Computed tomography, abdomen; axial plane, index 84; abdomen soft-tissue window; 512x512 px
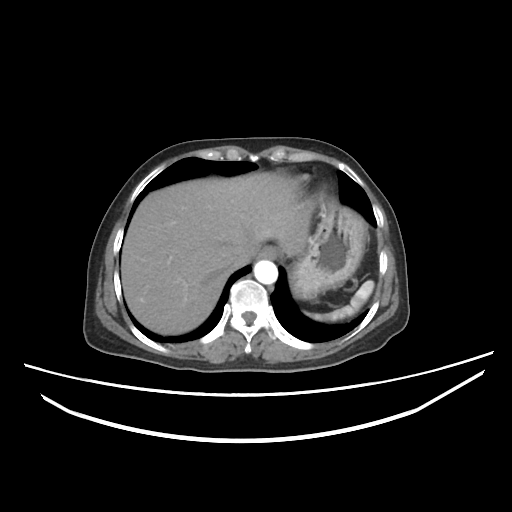

{"organs":{"spleen":[305,281,375,320],"esophagus":[258,245,280,258],"liver":[121,172,313,332],"stomach":[293,201,363,299],"aorta":[253,259,278,285],"inferior vena cava":[233,237,262,265]}}